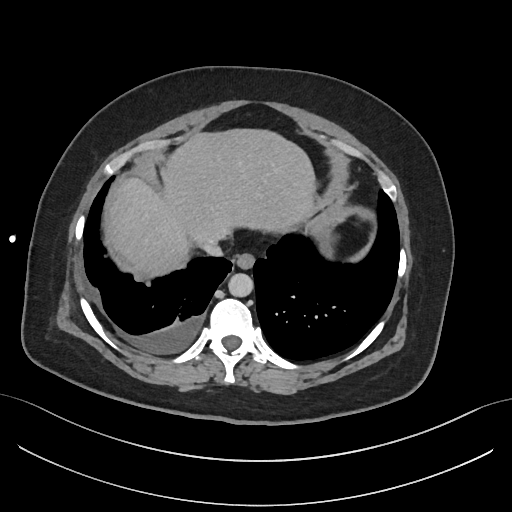 Abdominal CT. Axial slice 200/305. SOMATOM Force scanner. 15 organs annotated in this scan (that count is for the whole scan; organs this slice misses have no box)
Bounding boxes in pixels, one row per box: x1, y1 is the top-left corner and x2, y2 the bottom-right.
| organ | x1 | y1 | x2 | y2 |
|---|---|---|---|---|
| inferior vena cava | 200 | 239 | 221 | 256 |
| aorta | 228 | 273 | 252 | 297 |
| stomach | 318 | 230 | 332 | 256 |
| liver | 108 | 129 | 314 | 272 |
| esophagus | 236 | 252 | 254 | 268 |